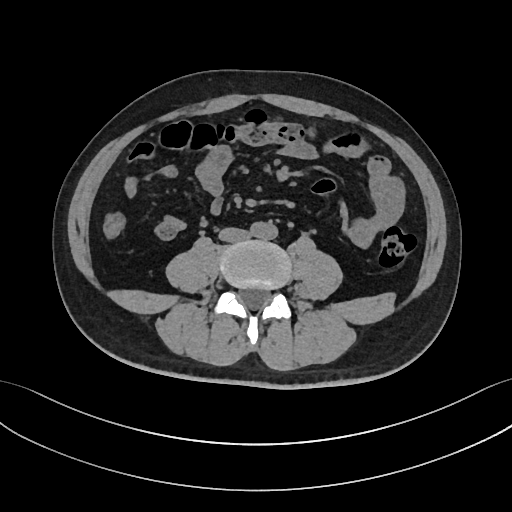
CT, abdomen/pelvis. Axial slice 109/225. abdomen soft-tissue window
Boxes: x1 y1 x2 y2 (pixel coords, space-separated). Labeled organs on this slice: aorta at 250 222 277 239, inferior vena cava at 219 227 249 242.